Abdominal CT — axial plane, index 180 — acquired on SOMATOM Force
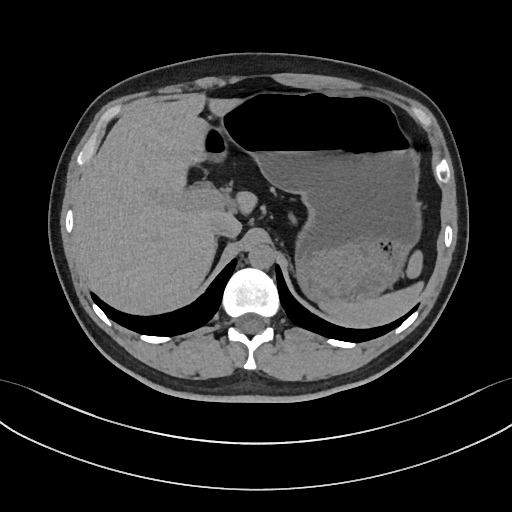 {"organs":{"spleen":[323,250,422,326],"liver":[74,94,257,312],"stomach":[204,92,420,303],"aorta":[248,244,274,268],"inferior vena cava":[211,221,234,238]}}